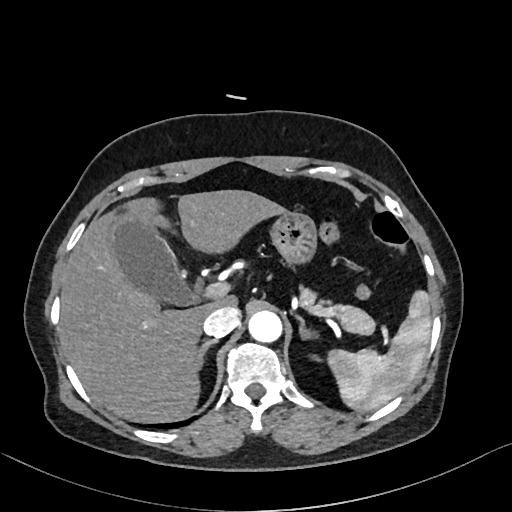
CT abdomen; axial view; acquired on SOMATOM Force
Boxes: x1 y1 x2 y2 (pixel coords, space-separated). The annotated organs in this slice are: spleen at 326 290 431 411, gall bladder at 109 211 196 304, liver at 60 190 284 423, stomach at 269 212 316 262, aorta at 248 310 281 342, inferior vena cava at 202 305 239 337, pancreas at 299 282 376 334, right adrenal gland at 193 338 217 370, left adrenal gland at 294 313 320 337.